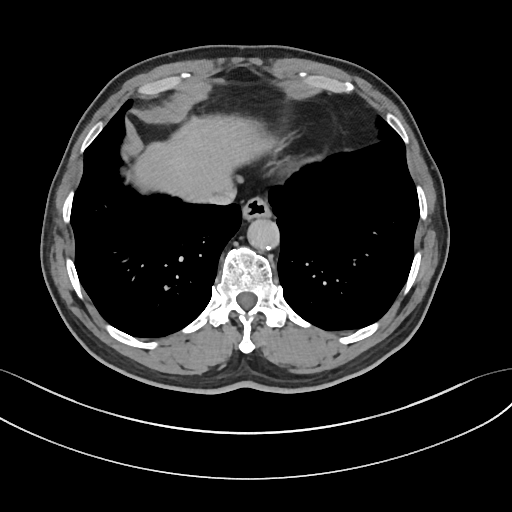 Abdominal CT; axial plane, index 199; soft-tissue window
Each box given as x1,y1,x2,y2.
Organ bounding boxes:
- esophagus: x1=242, y1=198, x2=270, y2=221
- aorta: x1=248, y1=219, x2=280, y2=251
- liver: x1=135, y1=117, x2=274, y2=199
- inferior vena cava: x1=199, y1=186, x2=235, y2=205